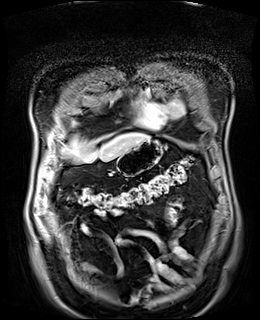

Magnetic resonance imaging, abdomen · coronal view · percentile-normalized · Prisma scanner
Boxes are (x1, y1, x2, y2) in pixels. Labeled organs on this slice: liver at (71, 132, 149, 162), stomach at (117, 138, 162, 176).